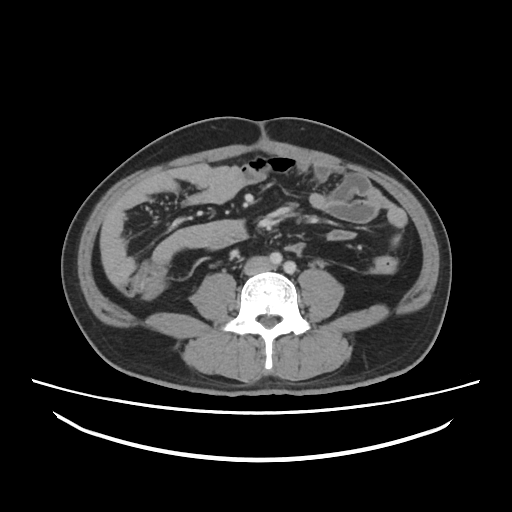
Abdominal CT · axial view · 31-year-old male patient · scan has 15 labeled organs (counted over the whole 3D scan, not this slice; an organ is boxed only where this slice passes through it)
Each box given as x1,y1,x2,y2. Labeled organs on this slice: inferior vena cava at x1=244, y1=256, x2=270, y2=274.